CT of the abdomen reaching into the lower chest, slice just above the liver and spleen; axial view; 14 organs annotated in this scan (counted over the whole 3D scan, not this slice; an organ is boxed only where this slice passes through it)
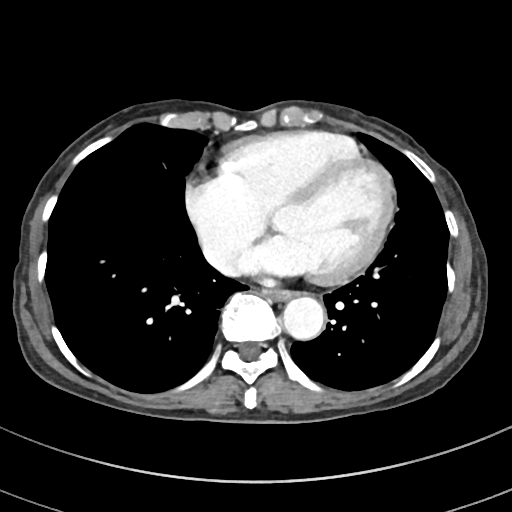
No part of the heart or lungs is labeled in this dataset, so neither has a box here.
<organs><organ name="inferior vena cava" x1="203" y1="241" x2="241" y2="276"/><organ name="esophagus" x1="265" y1="290" x2="293" y2="299"/><organ name="aorta" x1="283" y1="296" x2="324" y2="339"/></organs>